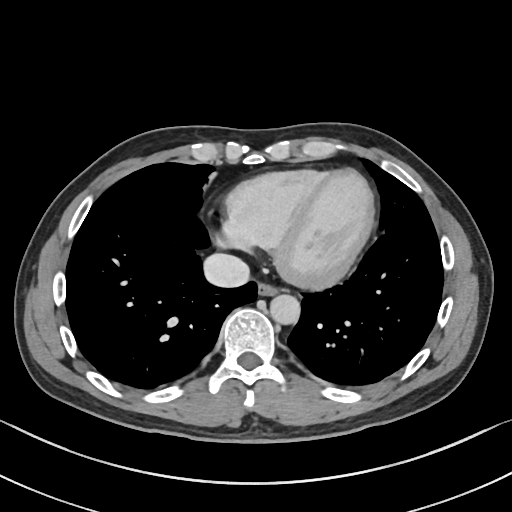 Lower-chest slice from an abdominal CT, just above the liver and spleen · axial plane, index 189 · 15 organs annotated in this scan (a whole-scan count: organs this slice does not pass through have no box)
The heart and lungs are never labeled in this dataset, so they have no box on this slice.
{"organs":{"esophagus":[257,282,278,295],"aorta":[270,294,299,324],"inferior vena cava":[203,253,249,287]}}